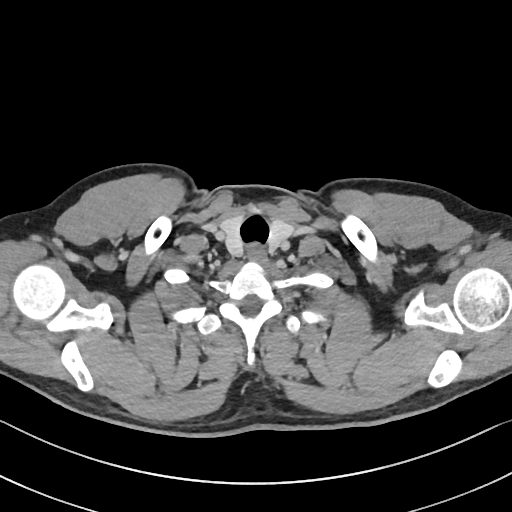
CT of the abdomen extending into the chest, slice through the chest; axial view; 512x512 px; scan has 15 labeled organs (a whole-scan count: organs this slice does not pass through have no box)
On a slice this high in the chest, this dataset labels only the esophagus and the aorta, and each is boxed only where it is labeled; the heart, lungs and other chest structures are not labeled.
One row per box, in pixels: columns x1 and y1 give the top-left corner, x2 and y2 the bottom-right.
| organ | x1 | y1 | x2 | y2 |
|---|---|---|---|---|
| esophagus | 248 | 245 | 267 | 261 |